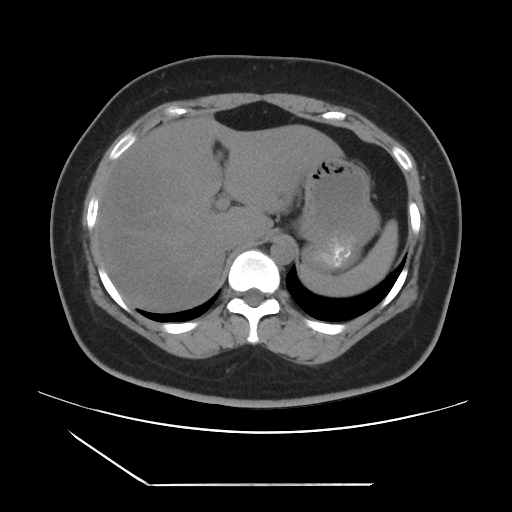 CT, abdomen/pelvis · axial plane, index 71 · acquired on SOMATOM Force
Boxes: x1 y1 x2 y2 (pixel coords, space-separated). Labeled organs on this slice: aorta at 270 237 295 264, inferior vena cava at 222 231 243 250, liver at 96 116 343 312, stomach at 298 158 380 274, spleen at 300 220 398 296.